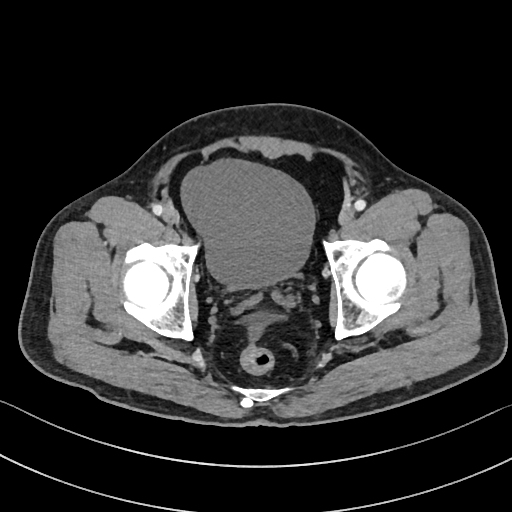

Abdominal CT — axial view
{"organs":{"bladder":[181,159,314,289]}}